Chest-level slice from an abdominal CT that extends up into the chest — axial view
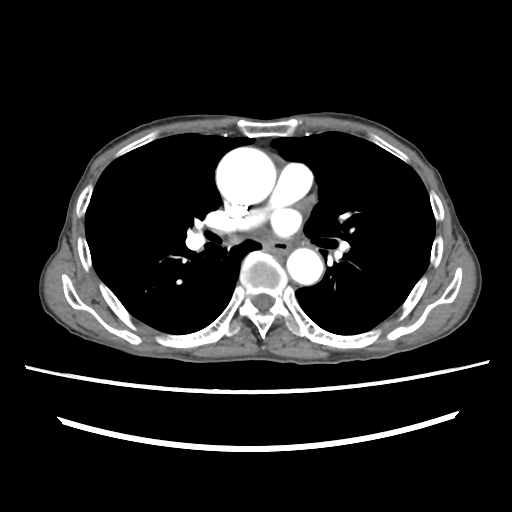
At this level of the chest no structure but the esophagus and the aorta has a label in this dataset, and those two are boxed only where they are labeled.
Each box given as x1,y1,x2,y2.
Organ bounding boxes:
- esophagus: x1=266, y1=241, x2=288, y2=252
- aorta: x1=216, y1=147, x2=276, y2=206
- aorta: x1=287, y1=248, x2=323, y2=284